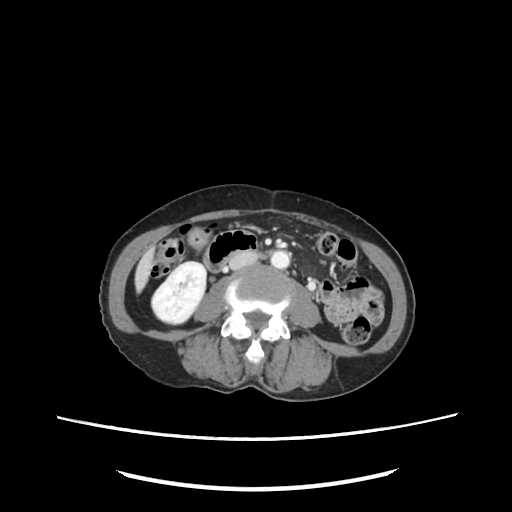
CT, abdomen/pelvis; Axial slice 50/124; abdomen soft-tissue window; 512x512 px; Aquilion ONE scanner
One row per box, in pixels: columns x1 and y1 give the top-left corner, x2 and y2 the bottom-right.
| organ | x1 | y1 | x2 | y2 |
|---|---|---|---|---|
| aorta | 272 | 250 | 288 | 268 |
| inferior vena cava | 230 | 252 | 257 | 268 |
| duodenum | 203 | 231 | 259 | 271 |
| liver | 134 | 246 | 156 | 293 |
| right kidney | 151 | 261 | 206 | 323 |